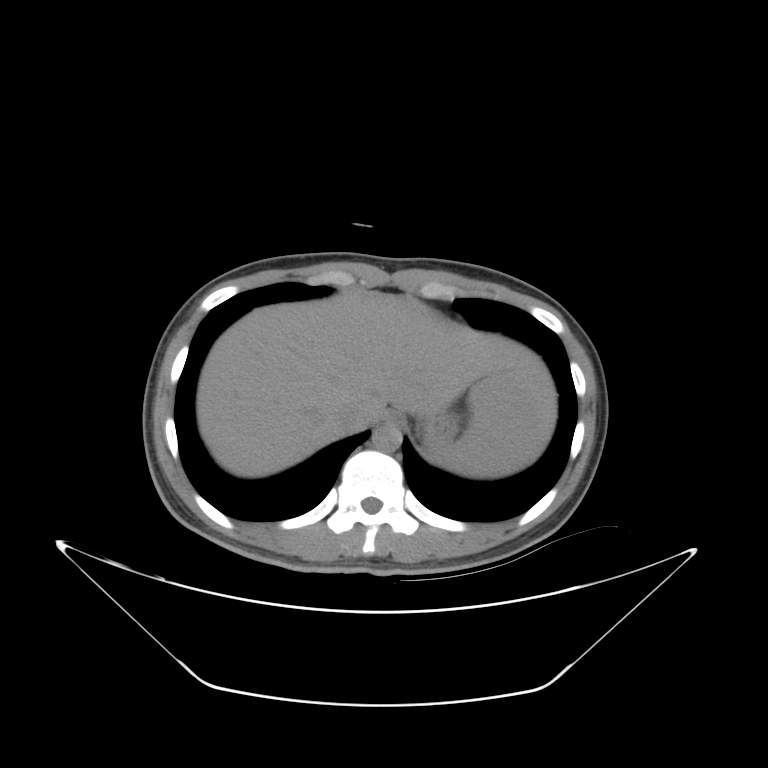

CT, abdomen/pelvis. axial view. 16-year-old male patient. scan has 15 labeled organs (counted over the whole 3D scan, not this slice; an organ is boxed only where this slice passes through it)
{"organs":{"spleen":[431,377,533,477],"esophagus":[387,409,402,424],"liver":[195,292,556,477],"stomach":[420,407,459,447],"aorta":[372,428,401,452],"inferior vena cava":[338,406,361,434]}}